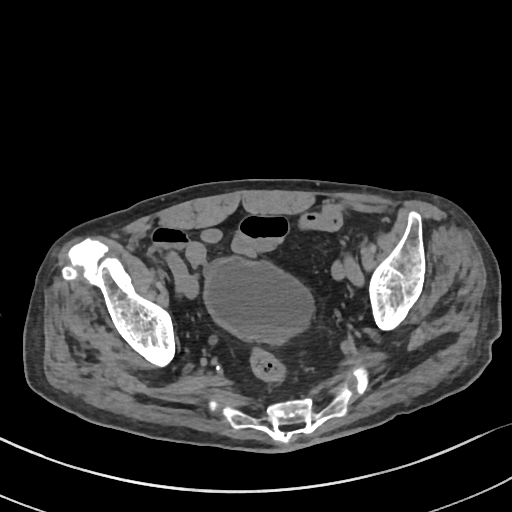
CT abdomen; axial view; 15 organs annotated in this scan (that count is for the whole scan; organs this slice misses have no box)
{"organs":{"bladder":[206,259,311,341]}}